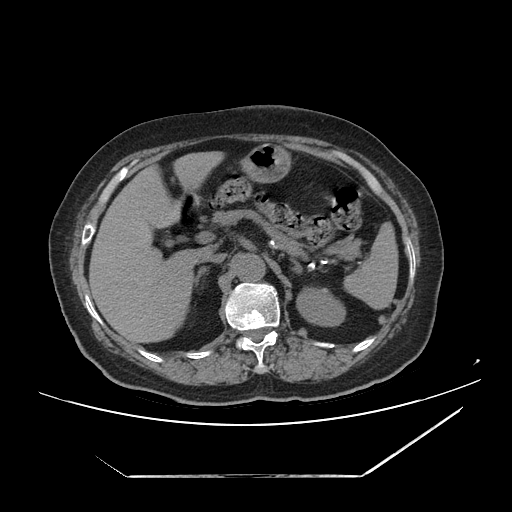
CT abdomen. axial plane, index 122
Bounding boxes in pixels, one row per box: x1, y1 is the top-left corner and x2, y2 the bottom-right.
| organ | x1 | y1 | x2 | y2 |
|---|---|---|---|---|
| left adrenal gland | 291 | 258 | 302 | 273 |
| left kidney | 296 | 287 | 345 | 326 |
| stomach | 240 | 144 | 291 | 183 |
| duodenum | 179 | 193 | 199 | 211 |
| inferior vena cava | 205 | 254 | 225 | 263 |
| pancreas | 212 | 209 | 361 | 260 |
| spleen | 343 | 222 | 398 | 309 |
| liver | 88 | 151 | 224 | 343 |
| aorta | 233 | 253 | 265 | 281 |
| right adrenal gland | 194 | 267 | 208 | 285 |